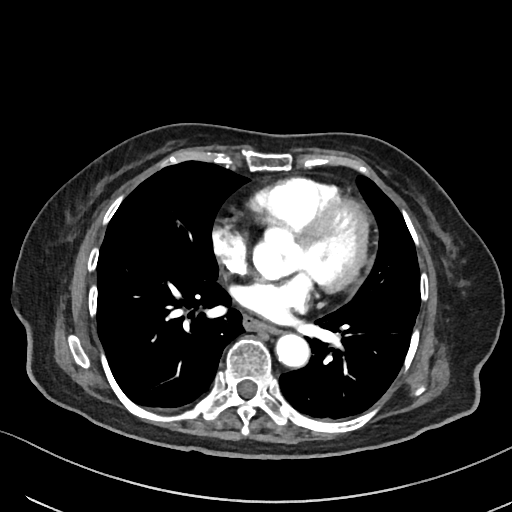

CT of the abdomen reaching into the lower chest, slice just above the liver and spleen; axial view; soft-tissue window, W/L 400/40; 512x512 px
No part of the heart or lungs is labeled in this dataset, so neither has a box here.
{"organs":{"esophagus":[242,317,278,332],"aorta":[275,333,309,366]}}